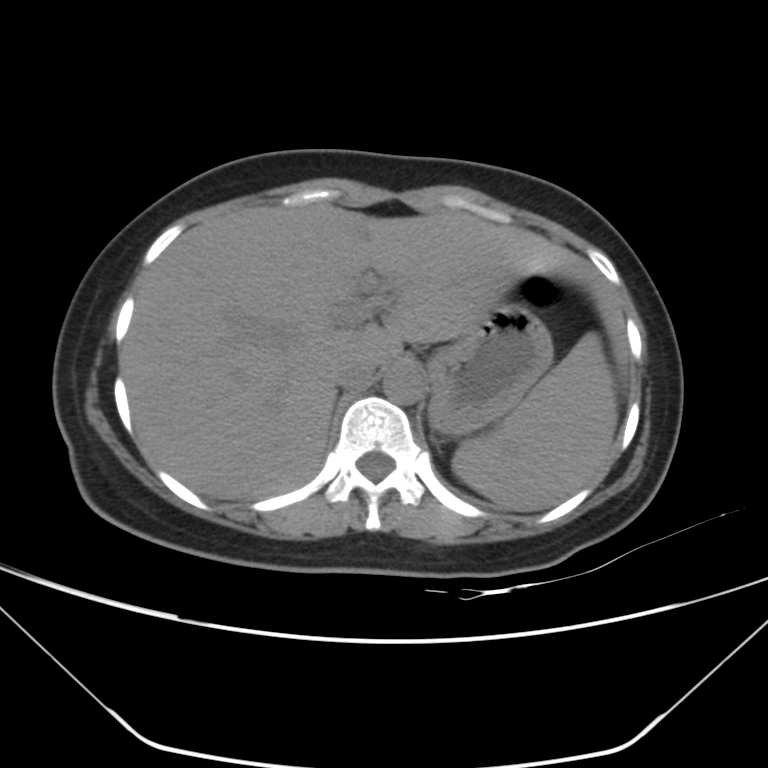 Computed tomography, abdomen; axial view; W/L 400/40 HU; acquired on Brilliance16
Coordinates as <box>x1,y1,x2,y2</box> in pixels.
Organ bounding boxes:
- liver: <box>122,203,628,500</box>
- spleen: <box>452,332,618,512</box>
- aorta: <box>382,365,424,405</box>
- stomach: <box>428,301,552,434</box>
- inferior vena cava: <box>335,357,378,388</box>
- left adrenal gland: <box>430,430,434,439</box>